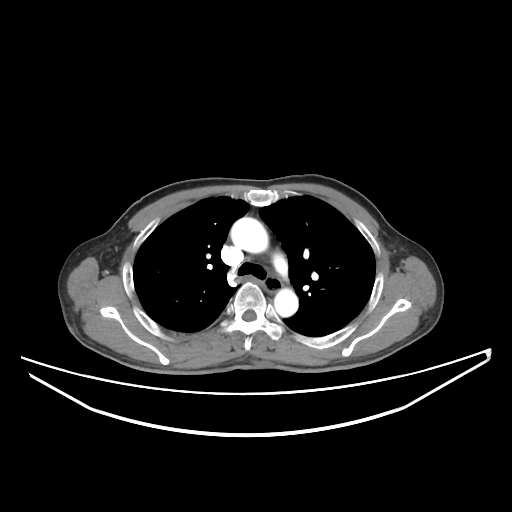
Abdominal CT reaching into the chest; this slice is in the chest · axial view · 15 organs annotated in this scan (a whole-scan count: organs this slice does not pass through have no box)
At this level of the chest no structure but the esophagus and the aorta has a label in this dataset, and those two are boxed only where they are labeled. Boxes: x1 y1 x2 y2 (pixel coords, space-separated). Labeled organs on this slice: esophagus at 264 274 282 293, aorta at 230 217 268 253, aorta at 274 288 298 316.